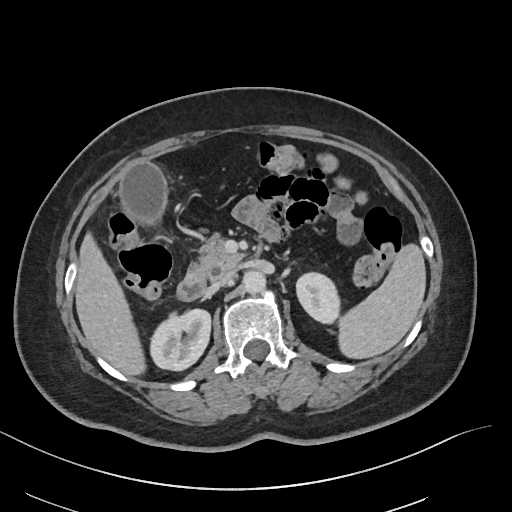 CT abdomen · axial view
Organ boxes in pixel coordinates; each row gives the top-left (x1, y1) and bottom-right (x2, y2) corners.
| organ | x1 | y1 | x2 | y2 |
|---|---|---|---|---|
| pancreas | 188 | 232 | 243 | 278 |
| inferior vena cava | 213 | 270 | 234 | 286 |
| right kidney | 151 | 309 | 211 | 370 |
| aorta | 244 | 271 | 267 | 296 |
| spleen | 338 | 242 | 426 | 359 |
| gall bladder | 119 | 162 | 167 | 224 |
| duodenum | 177 | 273 | 206 | 301 |
| liver | 74 | 233 | 145 | 376 |
| left kidney | 295 | 272 | 340 | 324 |
| stomach | 130 | 163 | 159 | 169 |